Abdominal CT · axial view · W/L 400/40 HU · scan has 15 labeled organs (that count is for the whole scan; organs this slice misses have no box)
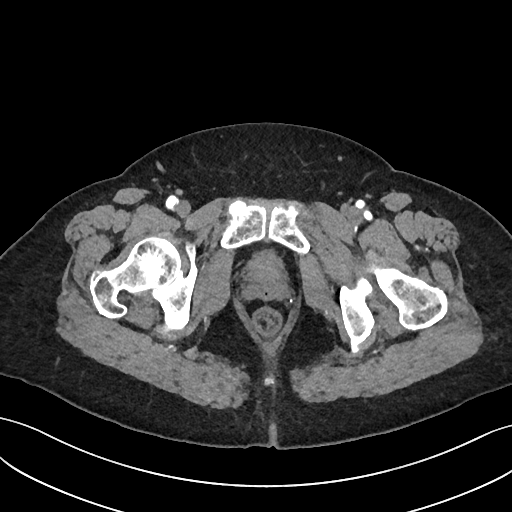 Box edges are left/top/right/bottom in pixels.
Organ bounding boxes:
- bladder: left=248, top=250, right=281, bottom=278